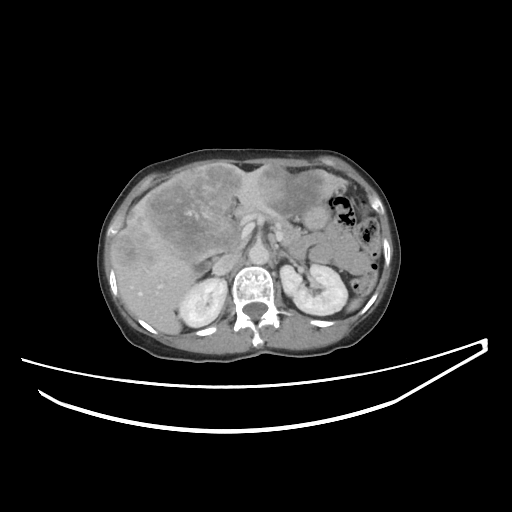

Computed tomography, abdomen — axial view — 512x512 px — 15 organs annotated in this scan (a whole-scan count: organs this slice does not pass through have no box)
Organ boxes in pixel coordinates; each row gives the top-left (x1, y1) and bottom-right (x2, y2) corners.
| organ | x1 | y1 | x2 | y2 |
|---|---|---|---|---|
| stomach | 284 | 183 | 330 | 229 |
| pancreas | 270 | 217 | 303 | 248 |
| gall bladder | 195 | 261 | 213 | 276 |
| liver | 110 | 163 | 348 | 334 |
| aorta | 248 | 243 | 269 | 264 |
| inferior vena cava | 212 | 252 | 239 | 275 |
| right kidney | 179 | 278 | 227 | 327 |
| left kidney | 280 | 264 | 347 | 315 |
| spleen | 347 | 298 | 362 | 311 |
| left adrenal gland | 278 | 250 | 292 | 260 |